CT abdomen; axial view; 15 organs annotated in this scan (that count is for the whole scan; organs this slice misses have no box)
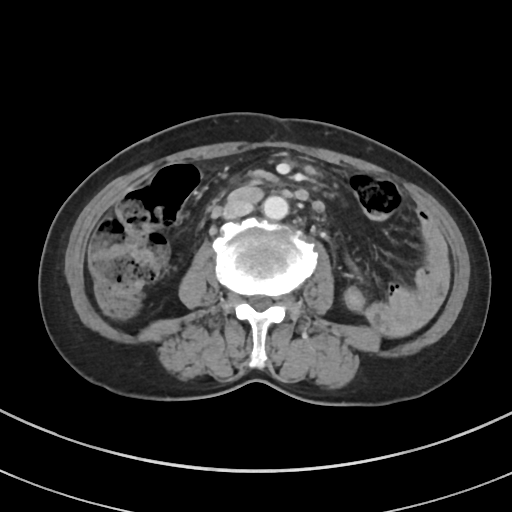

Box edges are left/top/right/bottom in pixels. Labeled organs on this slice: aorta at left=262, top=196, right=288, bottom=219, inferior vena cava at left=223, top=196, right=253, bottom=219.